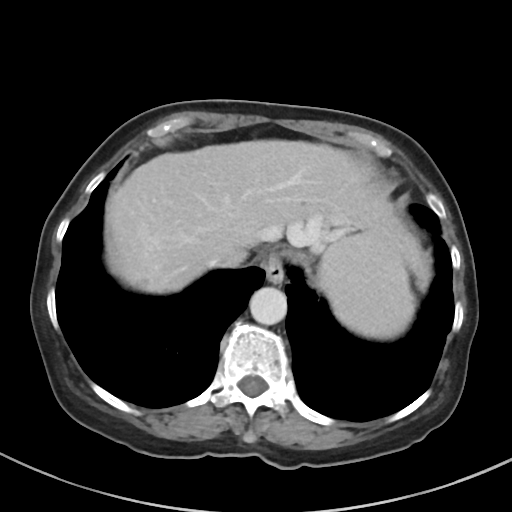

CT abdomen; axial plane, index 67; W/L 400/40 HU; 512x512 px; SOMATOM Force scanner
Coordinates as <box>x1,y1,x2,y2</box> in pixels. 5 labeled organs on this slice — spleen at <box>318,233,414,338</box>; esophagus at <box>263,253,284,283</box>; liver at <box>105,139,428,293</box>; aorta at <box>249,287,287,325</box>; inferior vena cava at <box>206,251,227,267</box>.